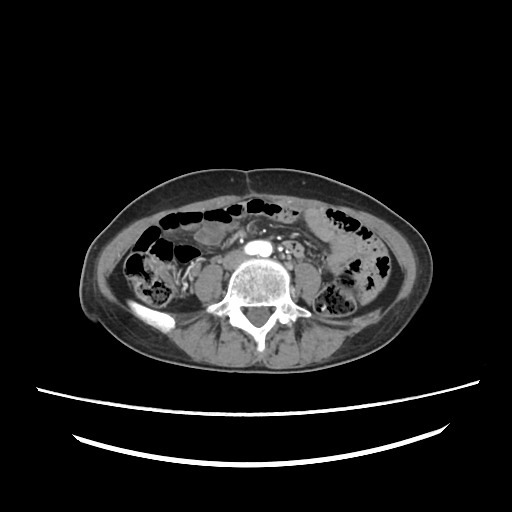

Computed tomography, abdomen · axial plane, index 37 · 512x512 px · scan has 15 labeled organs (a whole-scan count: organs this slice does not pass through have no box)
One row per box, in pixels: columns x1 and y1 give the top-left corner, x2 and y2 the bottom-right.
| organ | x1 | y1 | x2 | y2 |
|---|---|---|---|---|
| aorta | 244 | 239 | 273 | 256 |
| inferior vena cava | 223 | 250 | 246 | 270 |